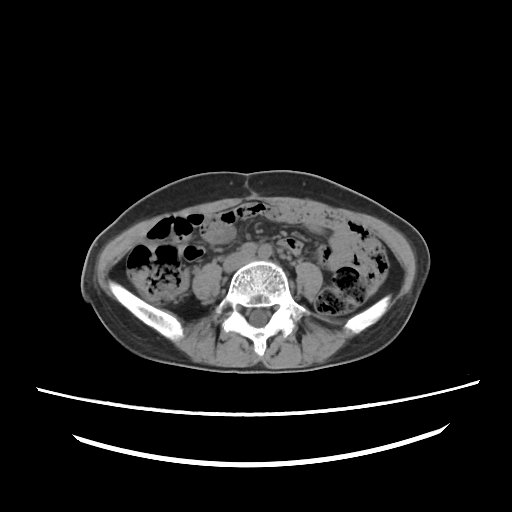

Abdominal CT · axial view · 512x512 px · 58-year-old female patient · scan has 15 labeled organs (that count is for the whole scan; organs this slice misses have no box)
{"organs":{"inferior vena cava":[224,253,249,270]}}